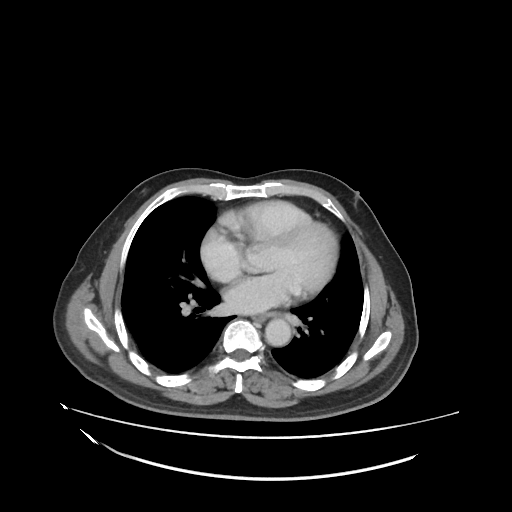 Abdominal CT; this slice is in the lower chest, just above the liver. axial plane, index 88. soft-tissue window (W 400 / L 40). 512x512 px
The heart and lungs are never labeled in this dataset, so they have no box on this slice. Each box given as x1,y1,x2,y2. Labeled organs on this slice: esophagus at x1=253, y1=314, x2=265, y2=322, aorta at x1=265, y1=319, x2=290, y2=345.